CT, abdomen/pelvis; axial view; abdomen soft-tissue window; 768x768 px
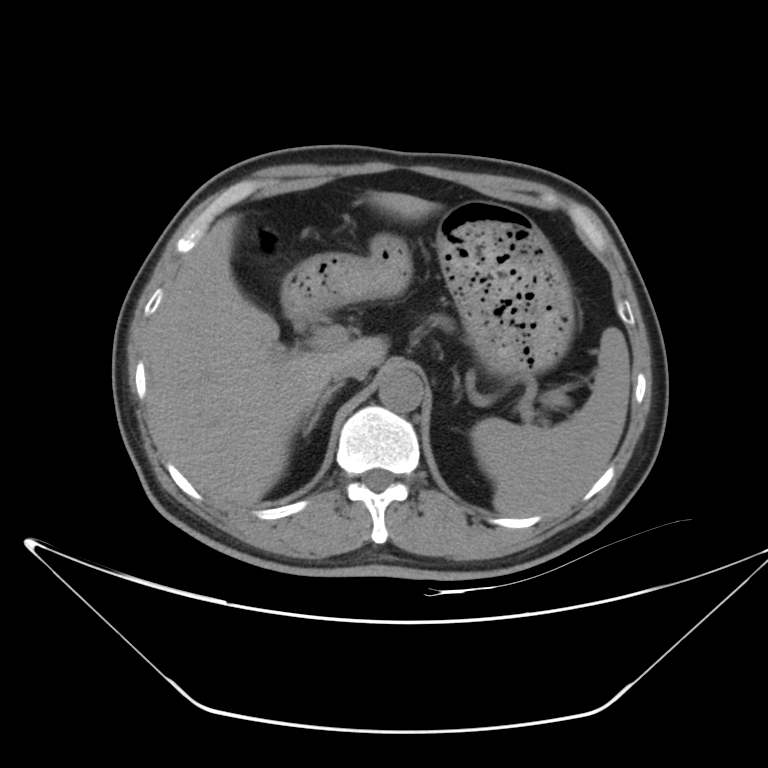
<organs><organ name="spleen" x1="470" y1="327" x2="630" y2="516"/><organ name="liver" x1="146" y1="191" x2="438" y2="505"/><organ name="stomach" x1="281" y1="200" x2="574" y2="376"/><organ name="aorta" x1="378" y1="368" x2="423" y2="411"/><organ name="inferior vena cava" x1="332" y1="357" x2="370" y2="382"/><organ name="pancreas" x1="432" y1="316" x2="452" y2="329"/><organ name="right adrenal gland" x1="303" y1="381" x2="343" y2="437"/></organs>